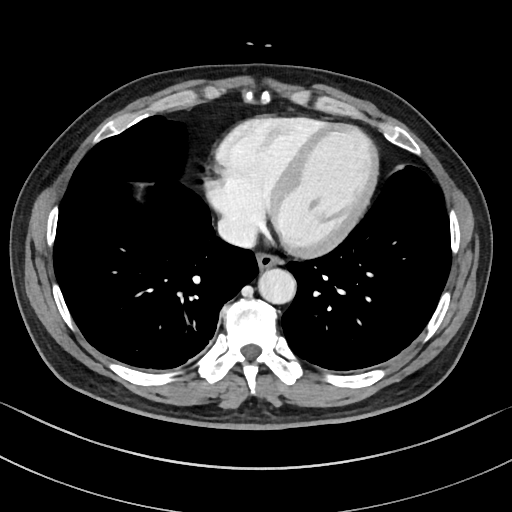
CT of the abdomen reaching into the lower chest, slice just above the liver and spleen. axial view
The heart and lungs are never labeled in this dataset, so they have no box on this slice.
Boxes are (x1, y1, x2, y2) in pixels.
Organ bounding boxes:
- esophagus: (256, 250, 280, 268)
- aorta: (257, 267, 294, 303)
- inferior vena cava: (218, 214, 258, 247)